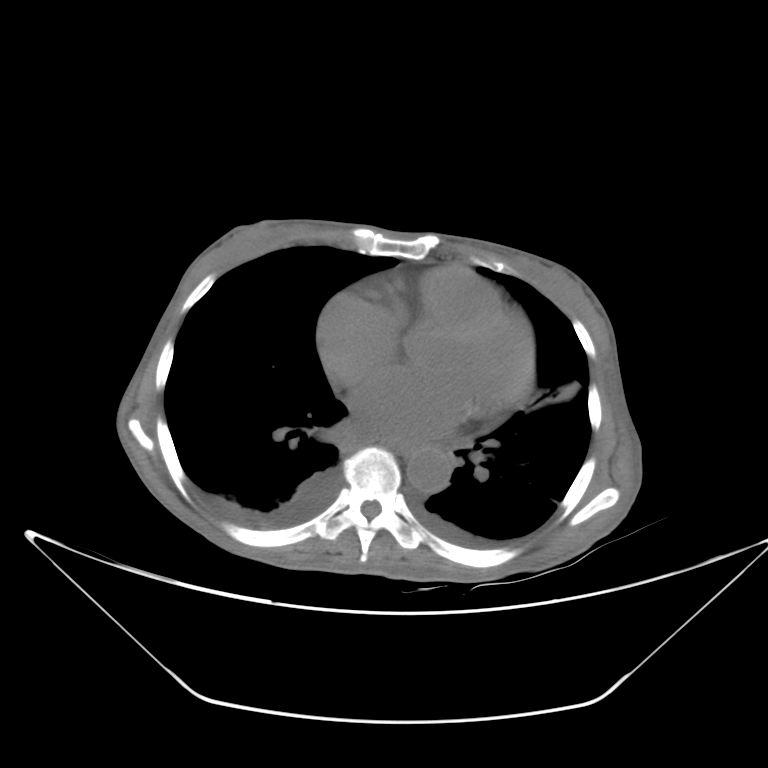 Lower-chest slice from an abdominal CT, just above the liver and spleen · axial view · soft-tissue window (W 400 / L 40) · 56-year-old female patient
No part of the heart or lungs is labeled in this dataset, so neither has a box here.
{"organs":{"esophagus":[385,442,419,454],"aorta":[406,446,451,494]}}